Abdominal CT; axial plane, index 8; 512x512 px
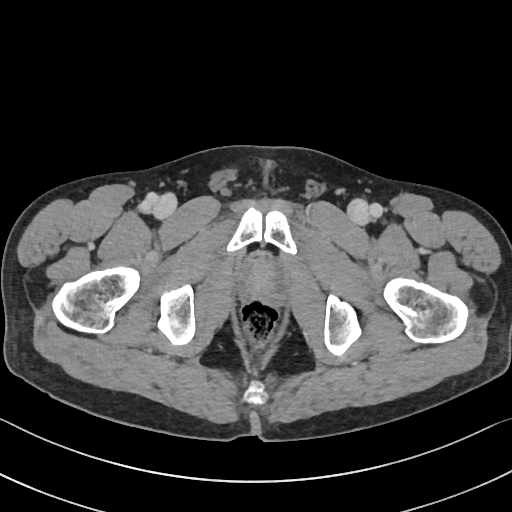 Box edges are left/top/right/bottom in pixels.
Organ bounding boxes:
- prostate/uterus: left=240, top=257, right=285, bottom=300